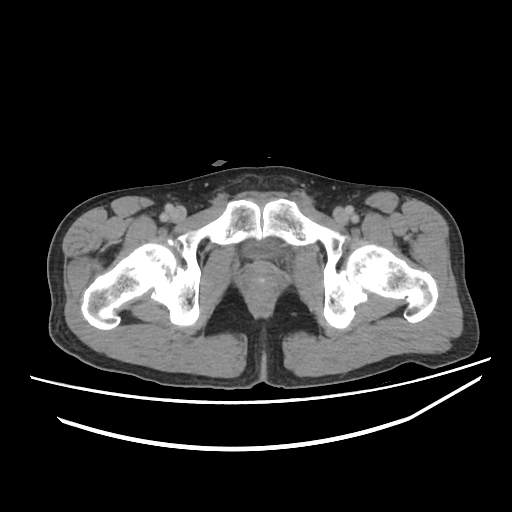 CT abdomen; axial view
{"organs":{"prostate/uterus":[245,261,282,299],"bladder":[243,238,277,257]}}